CT abdomen · axial plane, index 79 · 40-year-old male patient · 15 organs annotated in this scan (a whole-scan count: organs this slice does not pass through have no box)
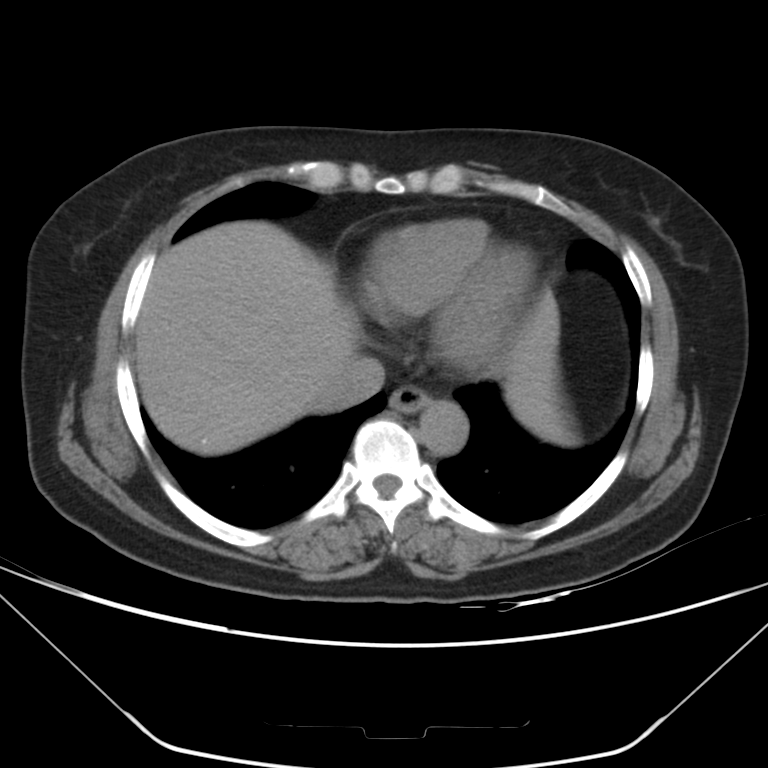 {"organs":{"inferior vena cava":[319,355,384,410],"liver":[133,220,577,455],"aorta":[419,401,468,455],"esophagus":[388,385,430,413]}}